CT abdomen — Axial slice 210/236
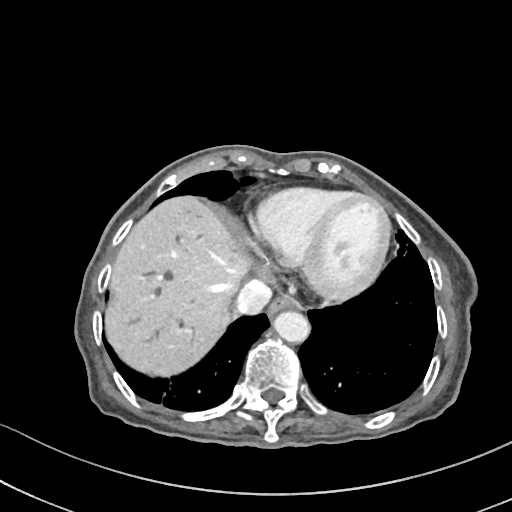

{"organs":{"esophagus":[268,295,298,316],"liver":[105,196,249,375],"aorta":[273,310,310,342],"inferior vena cava":[235,281,271,314]}}